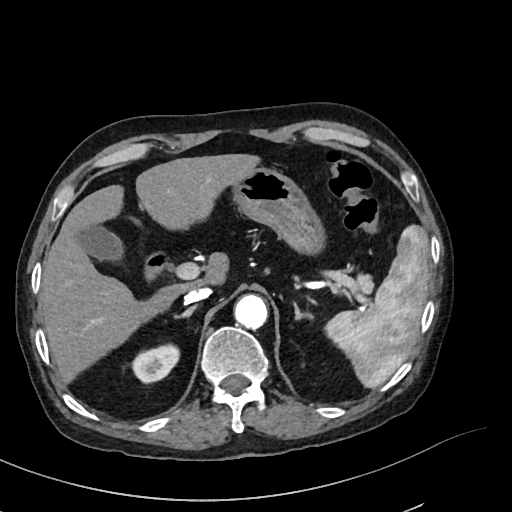

CT abdomen. axial view. soft-tissue window (W 400 / L 40). 512x512 px. SOMATOM Force scanner
<organs><organ name="aorta" x1="234" y1="294" x2="267" y2="329"/><organ name="stomach" x1="233" y1="168" x2="326" y2="253"/><organ name="right adrenal gland" x1="177" y1="305" x2="196" y2="317"/><organ name="inferior vena cava" x1="184" y1="287" x2="210" y2="304"/><organ name="right kidney" x1="133" y1="345" x2="178" y2="382"/><organ name="duodenum" x1="146" y1="253" x2="164" y2="278"/><organ name="pancreas" x1="356" y1="276" x2="371" y2="291"/><organ name="liver" x1="41" y1="154" x2="259" y2="385"/><organ name="left adrenal gland" x1="294" y1="305" x2="312" y2="320"/><organ name="spleen" x1="325" y1="223" x2="428" y2="388"/><organ name="gall bladder" x1="81" y1="226" x2="122" y2="260"/></organs>